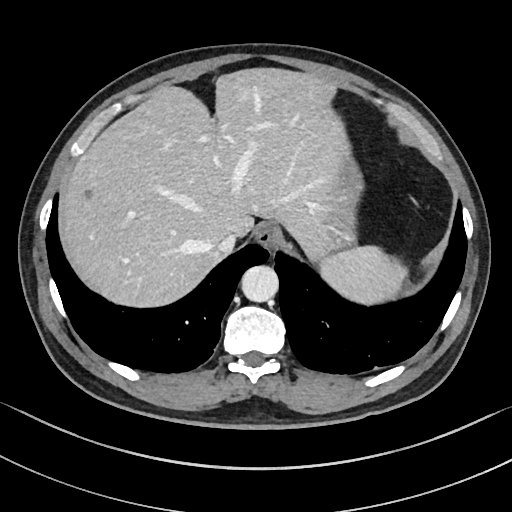
Abdominal CT — axial view
Box edges are left/top/right/bottom in pixels. The annotated organs in this slice are: spleen at left=319, top=246, right=406, bottom=304, esophagus at left=255, top=223, right=281, bottom=248, liver at left=59, top=67, right=347, bottom=307, stomach at left=323, top=107, right=364, bottom=254, aorta at left=241, top=265, right=278, bottom=302, inferior vena cava at left=217, top=233, right=236, bottom=253.